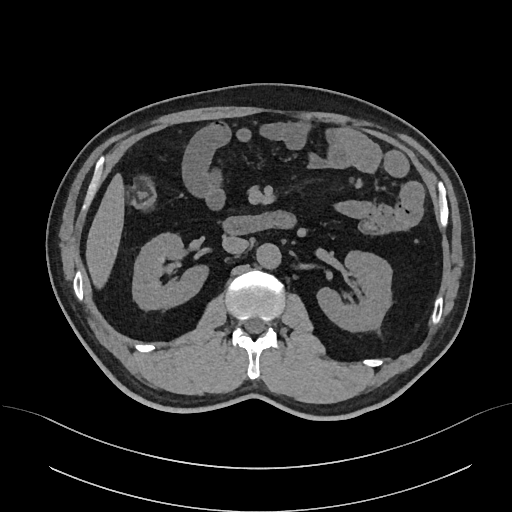
Computed tomography, abdomen · axial view · W/L 400/40 HU · 512x512 px · 15 organs annotated in this scan (a whole-scan count: organs this slice does not pass through have no box)
Bounding boxes as [x1, y1, x2, y2] in pixel coordinates.
right kidney: [133, 233, 209, 309]
left kidney: [316, 252, 392, 333]
liver: [85, 172, 124, 291]
aorta: [257, 244, 281, 269]
inferior vena cava: [222, 236, 248, 253]
duodenum: [219, 212, 297, 235]